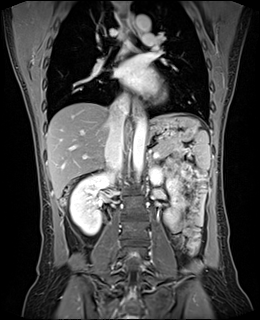

MRI, abdomen · coronal plane, index 64 · 260x320 px
Box edges are left/top/right/bottom in pixels. The annotated organs in this slice are: spleen at left=191, top=130, right=210, bottom=172, right kidney at left=70, top=172, right=110, bottom=234, left kidney at left=150, top=168, right=183, bottom=223, esophagus at left=134, top=98, right=141, bottom=117, esophagus at left=129, top=15, right=135, bottom=32, liver at left=46, top=102, right=183, bottom=198, stomach at left=148, top=116, right=199, bottom=143, aorta at left=133, top=116, right=146, bottom=181, aorta at left=136, top=15, right=150, bottom=31, inferior vena cava at left=105, top=95, right=129, bottom=171, pancreas at left=154, top=141, right=182, bottom=157, left adrenal gland at left=148, top=156, right=150, bottom=162.